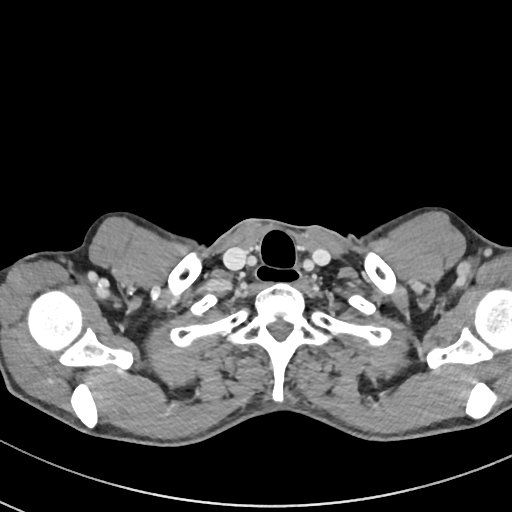 Chest-level CT slice, above the liver and spleen. axial plane, index 302. 512x512 px
On a slice this high in the chest, this dataset labels only the esophagus and the aorta, and each is boxed only where it is labeled; the heart, lungs and other chest structures are not labeled.
Coordinates as <box>x1,y1,x2,y2</box> in pixels.
Organ bounding boxes:
- esophagus: <box>255,266,300,285</box>